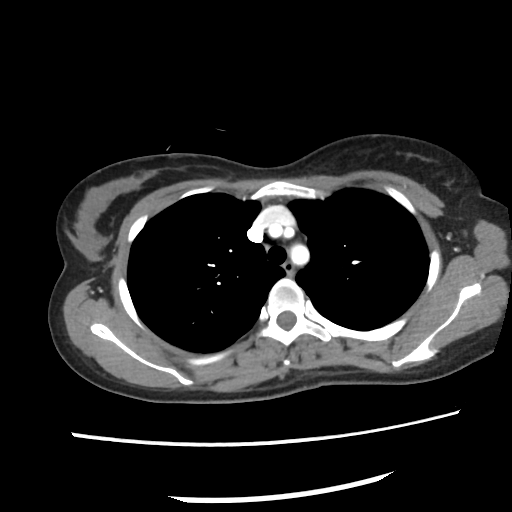
Chest-level slice from an abdominal CT that extends up into the chest · axial view · soft-tissue window · scan has 15 labeled organs (that count is for the whole scan; organs this slice misses have no box)
At this level of the chest no structure but the esophagus and the aorta has a label in this dataset, and those two are boxed only where they are labeled. Boxes: x1:y1:x2:y2 in pixels. The annotated organs in this slice are: aorta at 290:244:311:265, esophagus at 281:260:294:274.